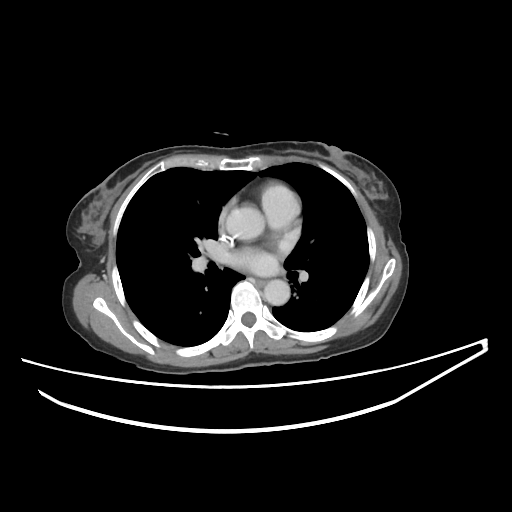

Abdominal CT; this slice is in the lower chest, just above the liver · axial plane, index 93 · soft-tissue window · 62-year-old female patient · scan has 15 labeled organs (a whole-scan count: organs this slice does not pass through have no box)
Of the structures in the chest, this dataset labels only the esophagus, the aorta and the inferior vena cava; the heart and lungs have no label.
Each box given as x1,y1,x2,y2.
Organ bounding boxes:
- esophagus: x1=254, y1=279, x2=265, y2=285
- aorta: x1=227, y1=207, x2=264, y2=240
- aorta: x1=263, y1=279, x2=289, y2=305